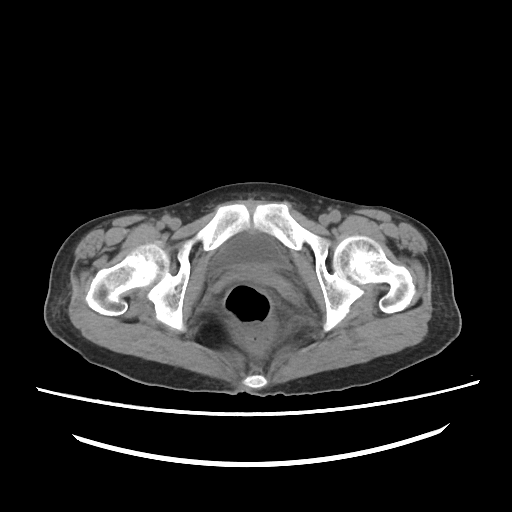
Computed tomography, abdomen; axial view; abdomen soft-tissue window
{"organs":{"bladder":[210,231,292,276]}}